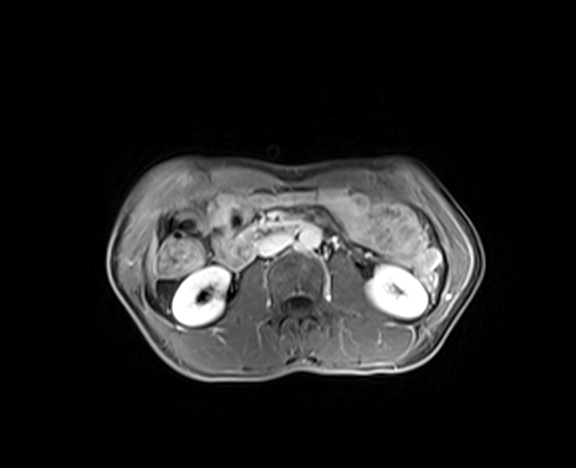 Abdominal MR. axial plane, index 25. 1st–99th percentile window. 576x468 px. scan has 13 labeled organs (a whole-scan count: organs this slice does not pass through have no box)
Boxes are (x1, y1, x2, y2) in pixels.
Organ bounding boxes:
- pancreas: (241, 228, 254, 236)
- right kidney: (172, 266, 230, 325)
- duodenum: (218, 221, 304, 270)
- left kidney: (366, 265, 427, 317)
- liver: (147, 238, 156, 280)
- aorta: (298, 226, 321, 250)
- inferior vena cava: (256, 233, 292, 256)